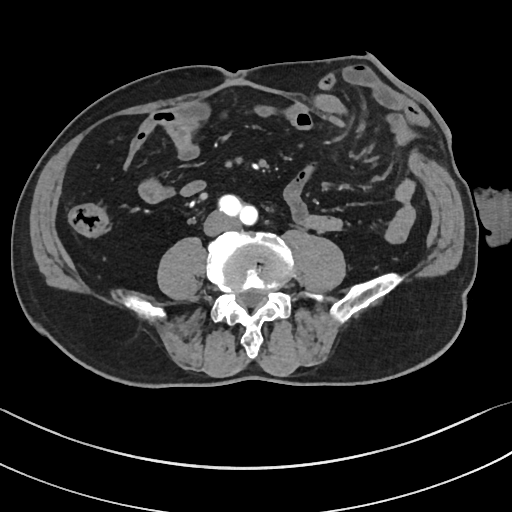

Abdominal CT — axial view — abdomen soft-tissue window — scan has 15 labeled organs (that count is for the whole scan; organs this slice misses have no box)
{"organs":{"aorta":[221,196,257,224],"inferior vena cava":[204,211,236,235]}}